CT abdomen. axial view
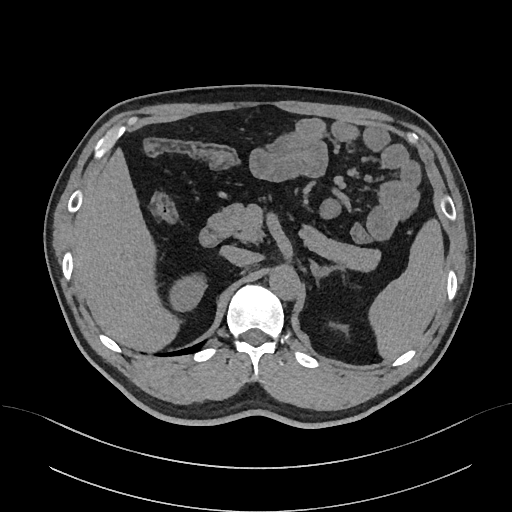
Bounding boxes as [x1, y1, x2, y2] in pixel coordinates.
Organ bounding boxes:
- spleen: [367, 218, 444, 359]
- right kidney: [169, 275, 206, 312]
- liver: [71, 147, 183, 350]
- aorta: [269, 267, 301, 301]
- inferior vena cava: [220, 246, 257, 267]
- pancreas: [209, 202, 379, 272]
- left adrenal gland: [311, 263, 343, 279]
- duodenum: [199, 228, 220, 247]